CT, abdomen/pelvis — axial view — W/L 400/40 HU — 56-year-old female patient — acquired on Aquilion ONE
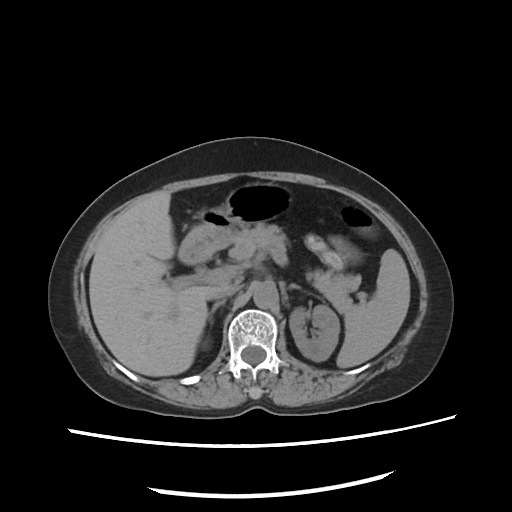

Organ boxes in pixel coordinates; each row gives the top-left (x1, y1) and bottom-right (x2, y2) corners.
| organ | x1 | y1 | x2 | y2 |
|---|---|---|---|---|
| aorta | 253 | 282 | 277 | 309 |
| gall bladder | 166 | 273 | 175 | 281 |
| right adrenal gland | 207 | 300 | 225 | 320 |
| left adrenal gland | 287 | 282 | 304 | 291 |
| spleen | 337 | 248 | 409 | 370 |
| right kidney | 203 | 340 | 208 | 348 |
| pancreas | 237 | 227 | 361 | 313 |
| left kidney | 290 | 305 | 339 | 362 |
| inferior vena cava | 209 | 286 | 239 | 299 |
| liver | 90 | 192 | 223 | 377 |
| stomach | 181 | 181 | 293 | 266 |